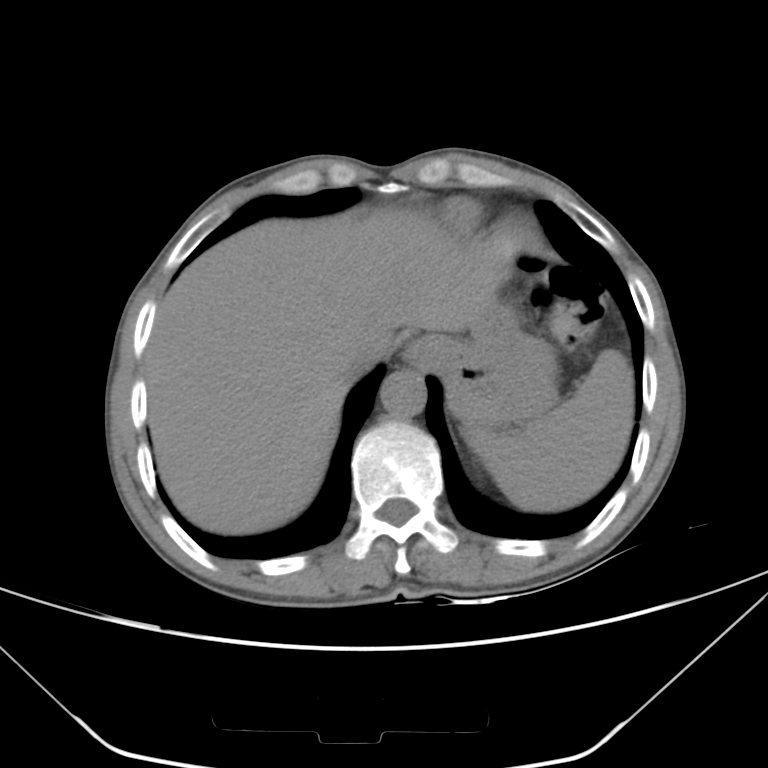 CT abdomen — axial view — 768x768 px
<organs><organ name="spleen" x1="464" y1="349" x2="635" y2="510"/><organ name="esophagus" x1="403" y1="333" x2="440" y2="371"/><organ name="liver" x1="144" y1="208" x2="492" y2="534"/><organ name="stomach" x1="425" y1="304" x2="557" y2="425"/><organ name="aorta" x1="379" y1="369" x2="427" y2="418"/><organ name="inferior vena cava" x1="347" y1="325" x2="396" y2="371"/></organs>